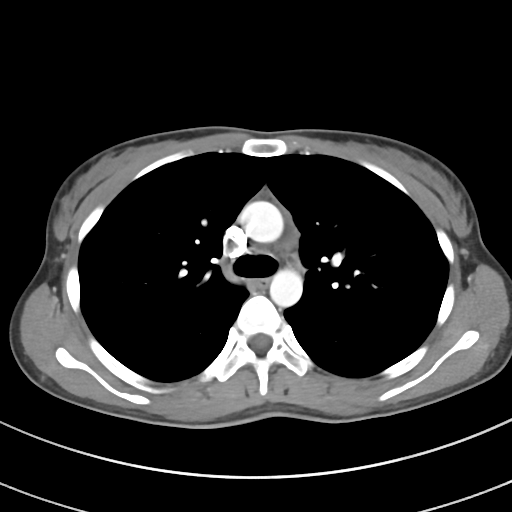

Chest-level slice from an abdominal CT that extends up into the chest — Axial slice 100/121 — soft-tissue window, W/L 400/40 — 512x512 px
At this level of the chest this dataset labels only the esophagus and the aorta, and each is boxed only where it is labeled; the heart and lungs are never labeled.
Bounding boxes in pixels, one row per box: x1, y1 is the top-left corner and x2, y2 the bottom-right.
| organ | x1 | y1 | x2 | y2 |
|---|---|---|---|---|
| esophagus | 250 | 278 | 267 | 289 |
| aorta | 239 | 200 | 283 | 243 |
| aorta | 269 | 268 | 302 | 307 |